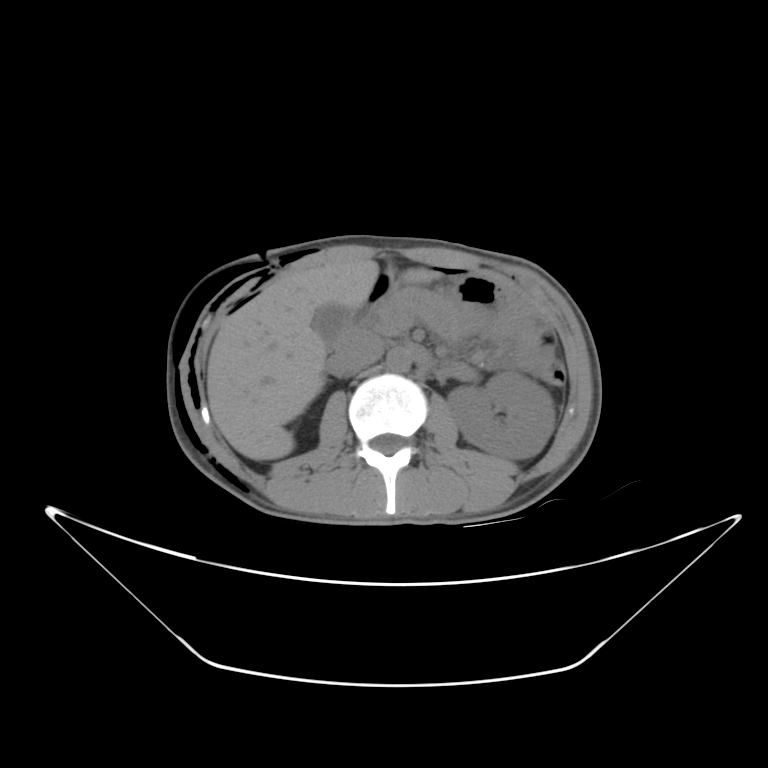 CT, abdomen/pelvis · axial plane, index 62 · abdomen soft-tissue window · 768x768 px · 33-year-old male patient · 15 organs annotated in this scan (that count is for the whole scan; organs this slice misses have no box)
<organs><organ name="liver" x1="207" y1="258" x2="438" y2="460"/><organ name="inferior vena cava" x1="343" y1="329" x2="385" y2="369"/><organ name="pancreas" x1="377" y1="287" x2="462" y2="335"/><organ name="left kidney" x1="444" y1="373" x2="554" y2="461"/><organ name="gall bladder" x1="312" y1="305" x2="351" y2="345"/><organ name="aorta" x1="385" y1="346" x2="412" y2="372"/><organ name="stomach" x1="354" y1="273" x2="505" y2="326"/></organs>